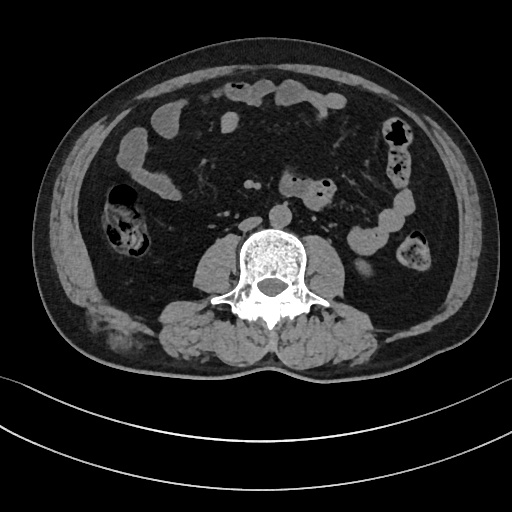

CT, abdomen/pelvis · axial view
Boxes: x1 y1 x2 y2 (pixel coords, space-separated). Labeled organs on this slice: left kidney at 356 263 365 268, aorta at 268 204 291 227, inferior vena cava at 238 216 261 230.